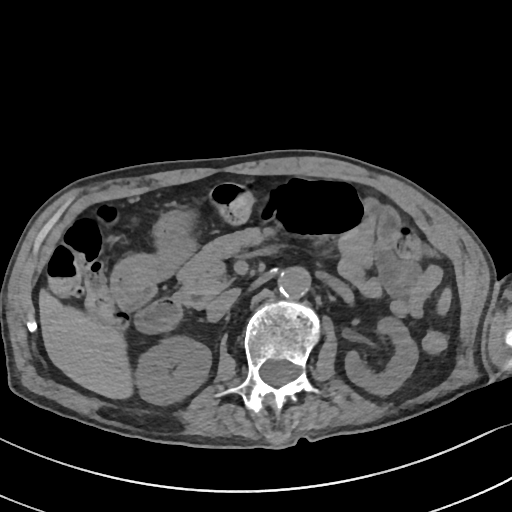
CT abdomen; axial view; acquired on SOMATOM Force; 15 organs annotated in this scan (that count is for the whole scan; organs this slice misses have no box)
{"organs":{"spleen":[437,290,449,316],"right kidney":[137,337,210,404],"left kidney":[345,316,417,396],"liver":[38,286,132,400],"stomach":[111,212,197,307],"aorta":[277,268,309,299],"inferior vena cava":[205,289,239,319],"pancreas":[175,227,276,308],"duodenum":[137,297,183,332]}}